Abdominal CT — axial view — abdomen soft-tissue window
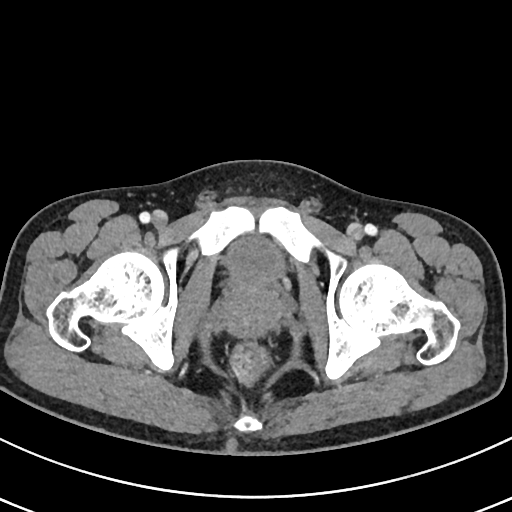 {"organs":{"bladder":[226,237,284,281],"prostate/uterus":[222,281,282,334]}}